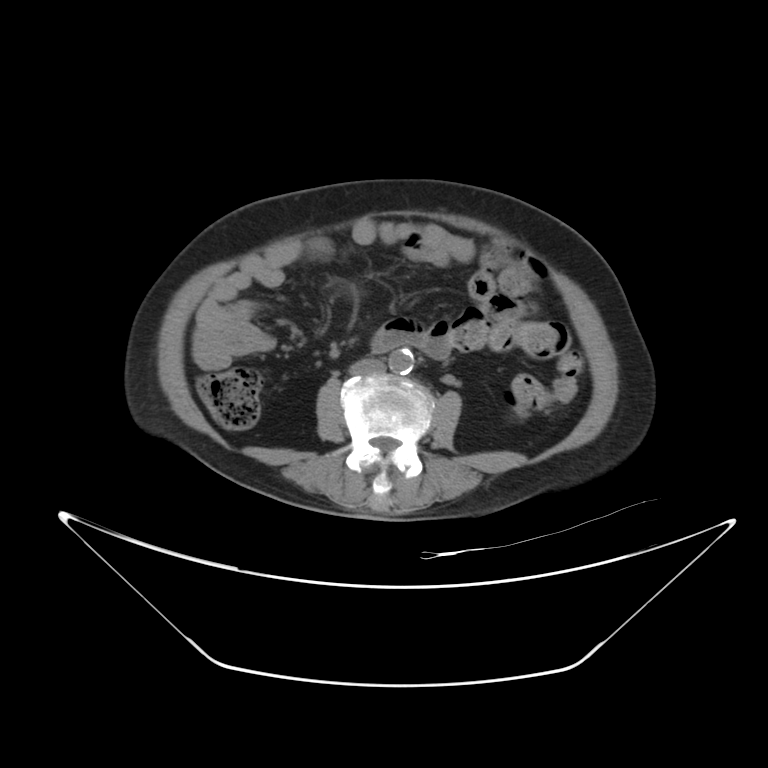

CT abdomen. axial view. W/L 400/40 HU. Brilliance16 scanner. scan has 15 labeled organs (counted over the whole 3D scan, not this slice; an organ is boxed only where this slice passes through it)
{"organs":{"aorta":[388,349,413,373],"inferior vena cava":[349,358,385,375],"duodenum":[370,329,407,355]}}